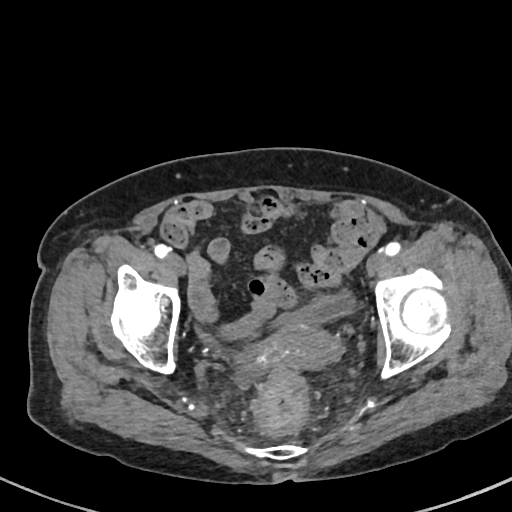
CT, abdomen/pelvis. Axial slice 42/279. abdomen soft-tissue window
Boxes: x1:y1:x2:y2 in pixels. 2 labeled organs on this slice — bladder at 273:292:355:324; prostate/uterus at 263:323:339:368.